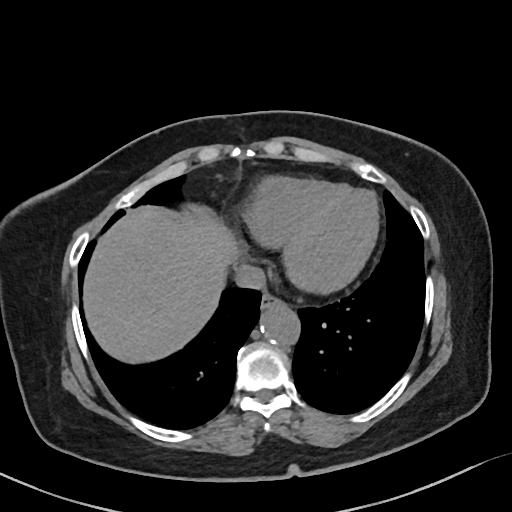 CT abdomen; axial view; W/L 400/40 HU; 512x512 px
{"organs":{"esophagus":[261,296,279,308],"liver":[83,204,236,364],"aorta":[259,303,298,344],"inferior vena cava":[236,264,266,289]}}